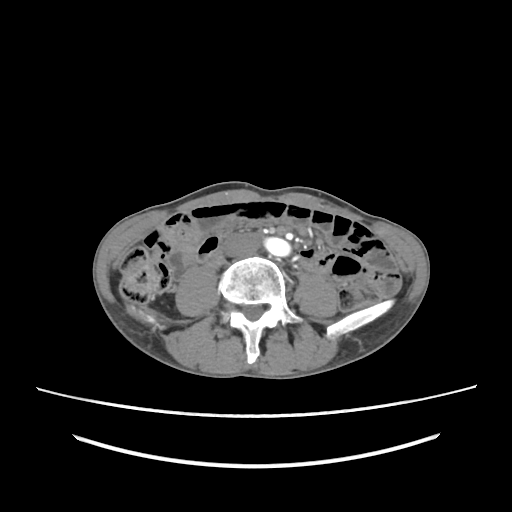
CT abdomen. axial view. 512x512 px
Box edges are left/top/right/bottom in pixels.
aorta: left=265, top=237, right=290, bottom=256
inferior vena cava: left=225, top=233, right=259, bottom=256